CT, abdomen/pelvis; axial view; scan has 15 labeled organs (a whole-scan count: organs this slice does not pass through have no box)
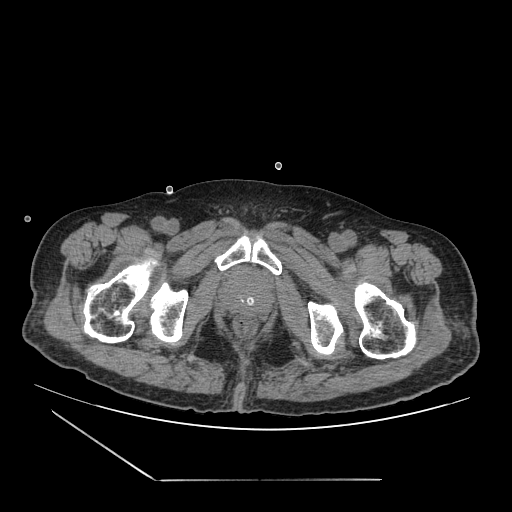
One row per box, in pixels: columns x1 and y1 give the top-left corner, x2 and y2 the bottom-right.
| organ | x1 | y1 | x2 | y2 |
|---|---|---|---|---|
| prostate/uterus | 219 | 267 | 273 | 313 |